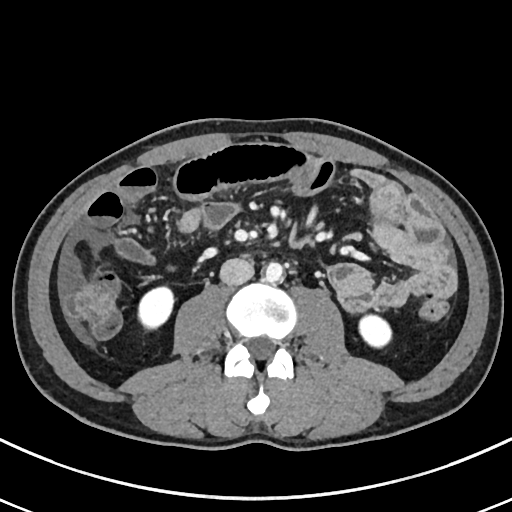

CT abdomen — axial view — SOMATOM Force scanner — 15 organs annotated in this scan (a whole-scan count: organs this slice does not pass through have no box)
{"organs":{"right kidney":[139,287,172,328],"left kidney":[358,315,391,346],"aorta":[265,262,283,281],"inferior vena cava":[219,258,254,285]}}